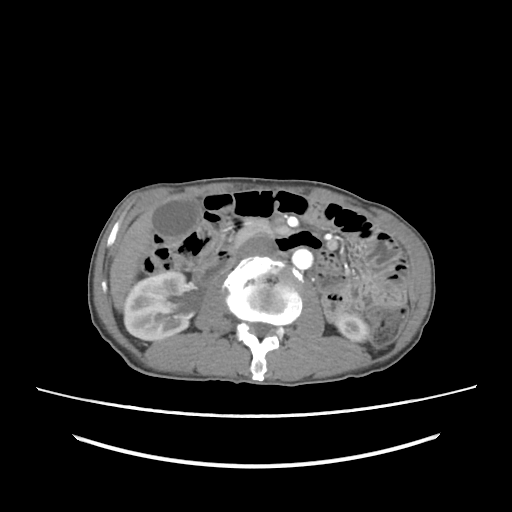 Abdominal CT — axial view — acquired on Aquilion ONE
<organs><organ name="right kidney" x1="124" y1="271" x2="189" y2="340"/><organ name="left kidney" x1="336" y1="313" x2="369" y2="341"/><organ name="gall bladder" x1="154" y1="198" x2="202" y2="240"/><organ name="liver" x1="110" y1="208" x2="154" y2="309"/><organ name="aorta" x1="292" y1="248" x2="313" y2="269"/><organ name="inferior vena cava" x1="238" y1="236" x2="276" y2="258"/><organ name="pancreas" x1="235" y1="219" x2="274" y2="244"/><organ name="duodenum" x1="195" y1="214" x2="244" y2="285"/></organs>